Computed tomography, abdomen · axial view · W/L 400/40 HU · 768x768 px
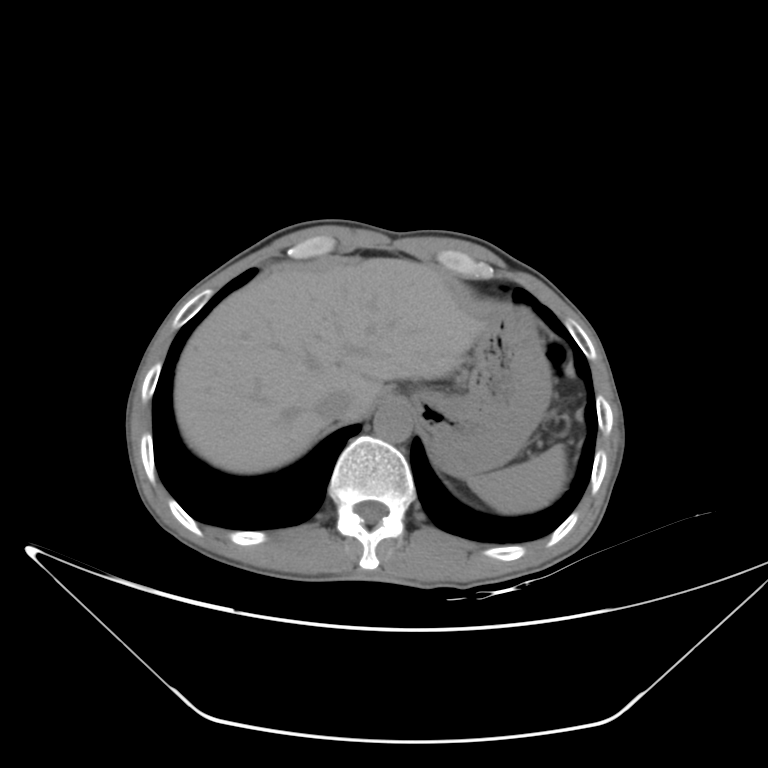

Boxes: x1:y1:x2:y2 in pixels.
Organ bounding boxes:
- spleen: 468:444:565:513
- liver: 174:258:483:473
- stomach: 414:303:551:477
- aorta: 373:398:413:443
- inferior vena cava: 317:390:355:420